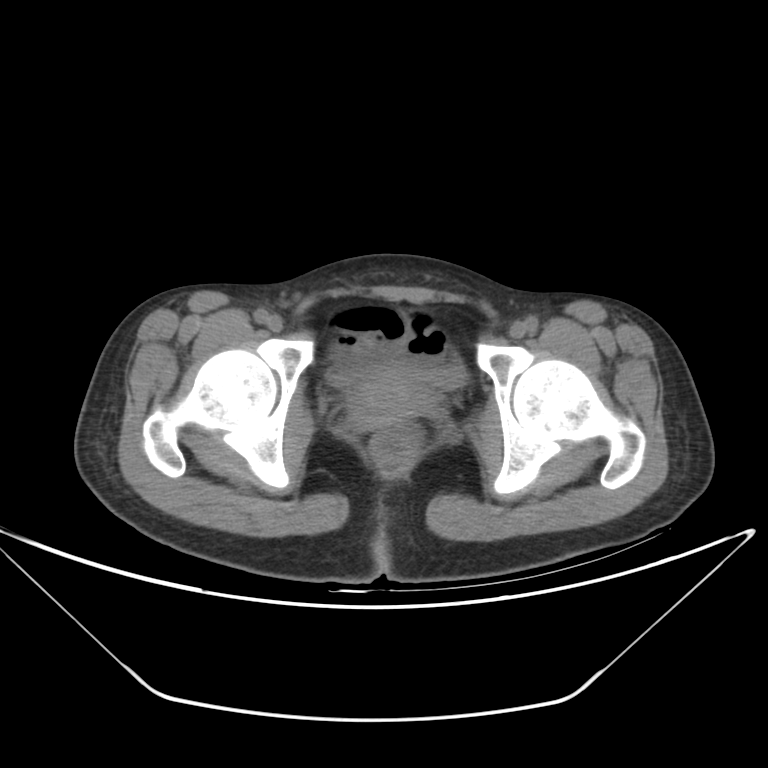

Computed tomography, abdomen · Axial slice 16/84 · W/L 400/40 HU · 32-year-old female patient · 15 organs annotated in this scan (that count is for the whole scan; organs this slice misses have no box)
Box edges are left/top/right/bottom in pixels. Labeled organs on this slice: bladder at left=328, top=361, right=466, bottom=386, prostate/uterus at left=347, top=376, right=433, bottom=430.